Abdominal CT. axial plane, index 54. soft-tissue window (W 400 / L 40). 768x768 px. 66-year-old female patient. 14 organs annotated in this scan (counted over the whole 3D scan, not this slice; an organ is boxed only where this slice passes through it)
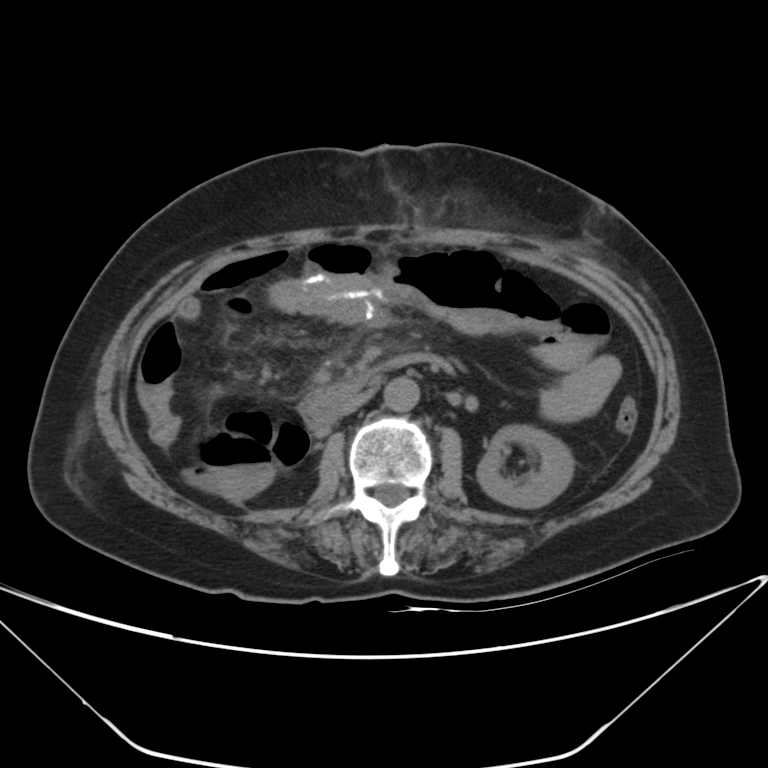
Box edges are left/top/right/bottom in pixels.
left kidney: left=477, top=425, right=573, bottom=508
aorta: left=383, top=377, right=419, bottom=411
inferior vena cava: left=338, top=391, right=372, bottom=415
duodenum: left=300, top=352, right=452, bottom=435